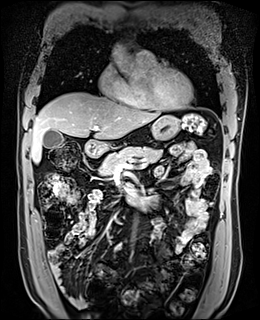

Magnetic resonance imaging, abdomen. coronal view. 1st–99th percentile window. 260x320 px
Box edges are left/top/right/bottom in pixels. Labeled organs on this slice: gall bladder at left=43, top=129, right=64, bottom=148, liver at left=30, top=92, right=160, bottom=163, stomach at left=151, top=115, right=179, bottom=140, aorta at left=110, top=45, right=145, bottom=82, pancreas at left=100, top=146, right=162, bottom=175, duodenum at left=84, top=139, right=149, bottom=205.